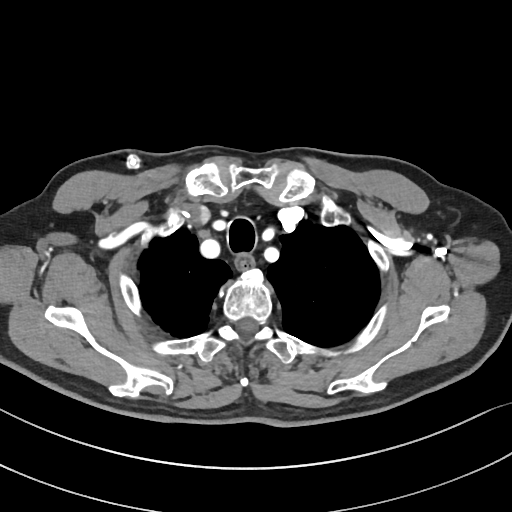 Abdominal CT reaching into the chest; this slice is in the chest; axial plane, index 290; soft-tissue window, W/L 400/40; 512x512 px; SOMATOM Force scanner
At this level of the chest no structure but the esophagus and the aorta has a label in this dataset, and those two are boxed only where they are labeled.
Boxes: x1:y1:x2:y2 in pixels.
esophagus: 236:256:254:271